Computed tomography, abdomen; axial plane, index 63; 512x512 px; 56-year-old female patient
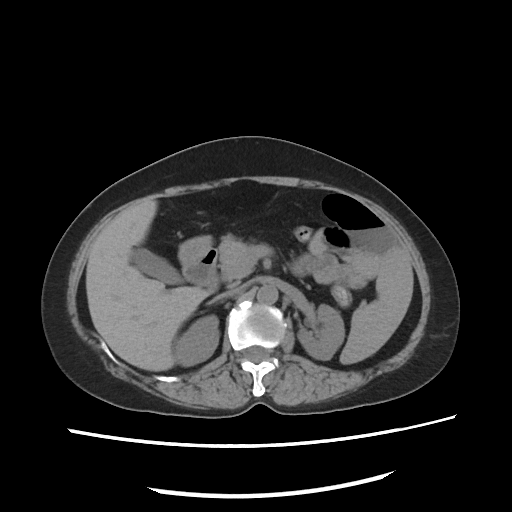 {"organs":{"right kidney":[174,315,219,366],"liver":[86,200,204,371],"inferior vena cava":[215,282,251,300],"left kidney":[298,304,345,359],"stomach":[179,237,213,265],"gall bladder":[130,248,181,281],"duodenum":[184,249,218,289],"pancreas":[218,236,256,283],"aorta":[257,284,277,305],"spleen":[341,247,412,364]}}